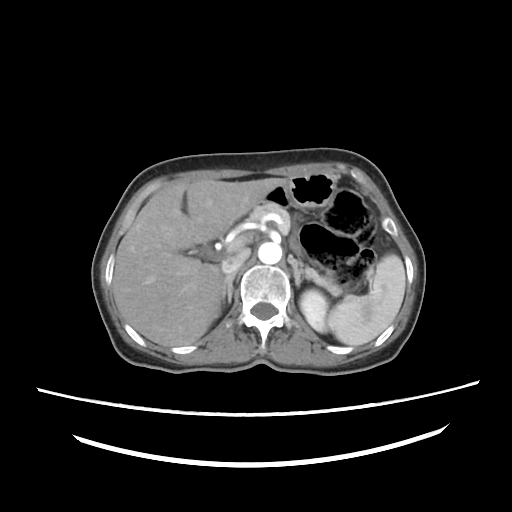 Abdominal CT · axial view · W/L 400/40 HU
{"organs":{"spleen":[328,253,406,346],"left kidney":[297,288,329,331],"gall bladder":[195,247,217,260],"liver":[113,176,285,346],"stomach":[265,171,335,208],"aorta":[259,242,281,264],"inferior vena cava":[221,247,250,273],"pancreas":[251,203,342,294],"right adrenal gland":[220,274,235,304],"left adrenal gland":[293,265,309,285]}}